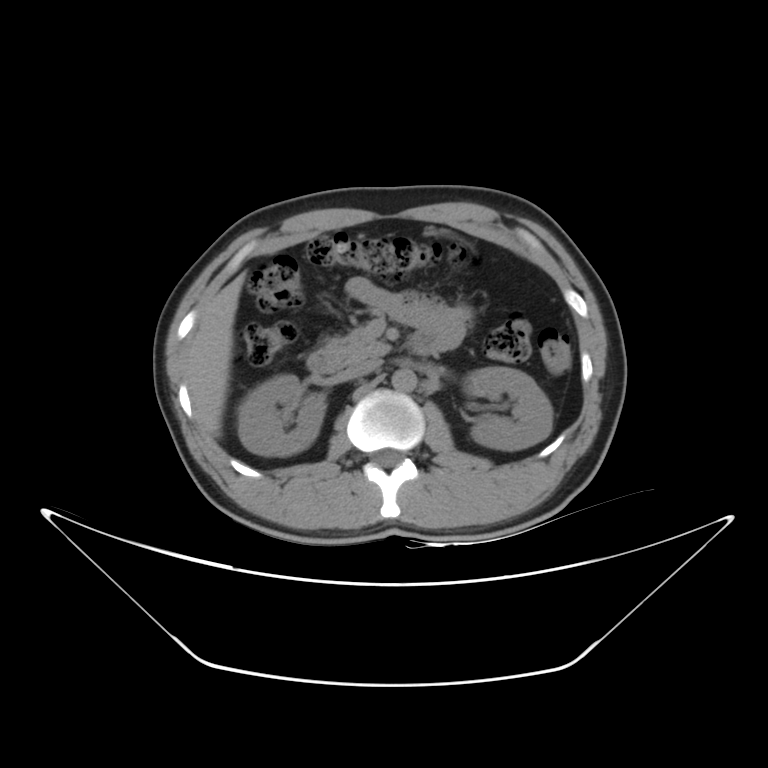
CT, abdomen/pelvis; axial view; abdomen soft-tissue window
<organs><organ name="left kidney" x1="464" y1="366" x2="553" y2="450"/><organ name="aorta" x1="391" y1="368" x2="416" y2="391"/><organ name="inferior vena cava" x1="346" y1="359" x2="381" y2="377"/><organ name="pancreas" x1="324" y1="327" x2="390" y2="362"/><organ name="liver" x1="186" y1="273" x2="245" y2="434"/><organ name="right kidney" x1="237" y1="374" x2="325" y2="455"/><organ name="duodenum" x1="307" y1="350" x2="343" y2="373"/></organs>